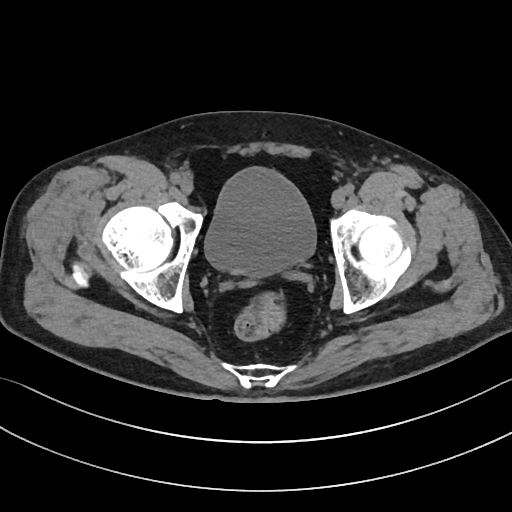
CT abdomen. axial view. 512x512 px
Bounding boxes in pixels, one row per box: x1, y1 is the top-left corner and x2, y2 the bottom-right.
| organ | x1 | y1 | x2 | y2 |
|---|---|---|---|---|
| bladder | 204 | 168 | 316 | 274 |